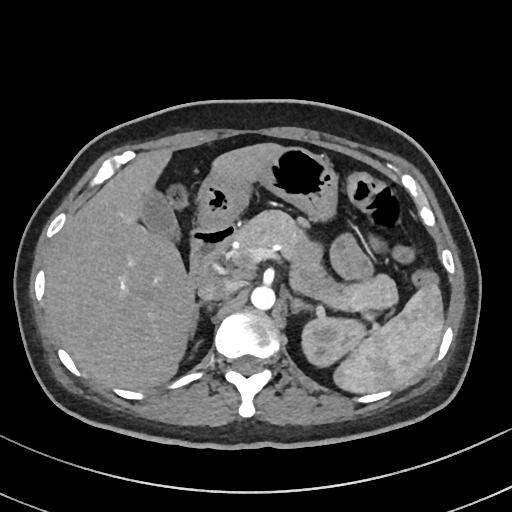 Computed tomography, abdomen · axial view · 512x512 px
Boxes: x1:y1:x2:y2 in pixels. Labeled organs on this slice: pancreas at 231:210:399:310, left adrenal gland at 291:297:310:314, right adrenal gland at 190:300:204:334, stomach at 197:145:336:229, left kidney at 300:315:368:368, inferior vena cava at 197:277:234:300, gall bladder at 140:187:175:233, spleen at 333:284:444:393, aorta at 251:285:275:309, liver at 45:143:278:390, duodenum at 190:223:236:283.